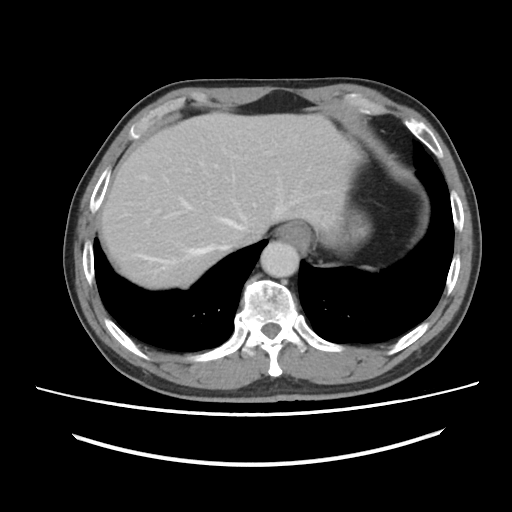 Computed tomography, abdomen. axial view. abdomen soft-tissue window. 58-year-old male patient
<organs><organ name="esophagus" x1="278" y1="222" x2="310" y2="246"/><organ name="liver" x1="100" y1="112" x2="360" y2="289"/><organ name="stomach" x1="327" y1="213" x2="369" y2="248"/><organ name="aorta" x1="260" y1="241" x2="298" y2="277"/><organ name="inferior vena cava" x1="234" y1="231" x2="264" y2="247"/></organs>